Computed tomography, abdomen; axial view; 512x512 px
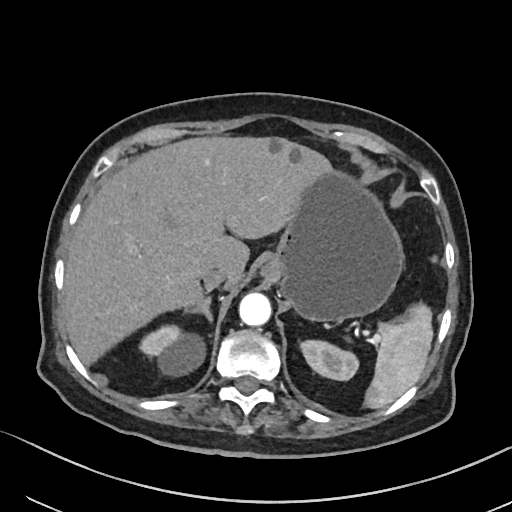
Box edges are left/top/right/bottom in pixels. The annotated organs in this slice are: inferior vena cava at left=203, top=265, right=229, bottom=291, right kidney at left=140, top=326, right=203, bottom=373, liver at left=64, top=137, right=331, bottom=366, aorta at left=239, top=293, right=271, bottom=326, right adrenal gland at left=183, top=297, right=212, bottom=323, stomach at left=261, top=173, right=404, bottom=322, left kidney at left=300, top=341, right=357, bottom=379, spleen at left=363, top=304, right=432, bottom=408.